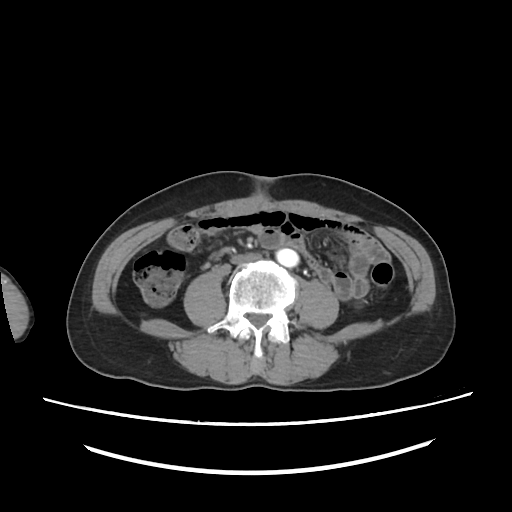
Abdominal CT. axial view. 512x512 px
One row per box, in pixels: columns x1 and y1 give the top-left corner, x2 and y2 the bottom-right.
| organ | x1 | y1 | x2 | y2 |
|---|---|---|---|---|
| aorta | 272 | 246 | 298 | 267 |
| inferior vena cava | 229 | 252 | 261 | 265 |